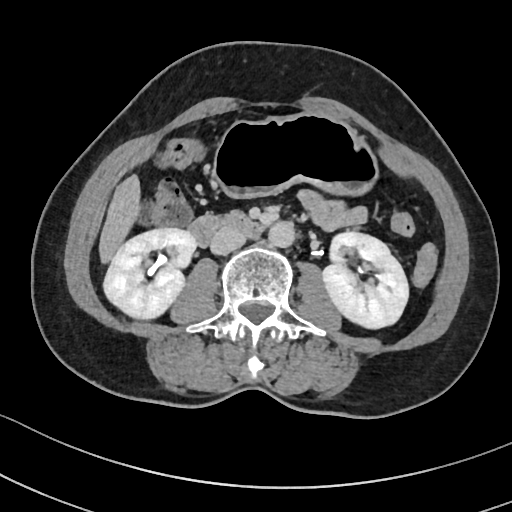

Abdominal CT; axial plane, index 109; soft-tissue window (W 400 / L 40); 512x512 px; SOMATOM Force scanner
<organs><organ name="stomach" x1="214" y1="115" x2="379" y2="198"/><organ name="inferior vena cava" x1="210" y1="227" x2="246" y2="254"/><organ name="duodenum" x1="189" y1="211" x2="262" y2="244"/><organ name="right kidney" x1="104" y1="226" x2="196" y2="319"/><organ name="left kidney" x1="322" y1="230" x2="409" y2="328"/><organ name="liver" x1="100" y1="175" x2="138" y2="260"/><organ name="aorta" x1="268" y1="220" x2="294" y2="246"/></organs>